Computed tomography, abdomen · axial view · soft-tissue window · 14 organs annotated in this scan (that count is for the whole scan; organs this slice misses have no box)
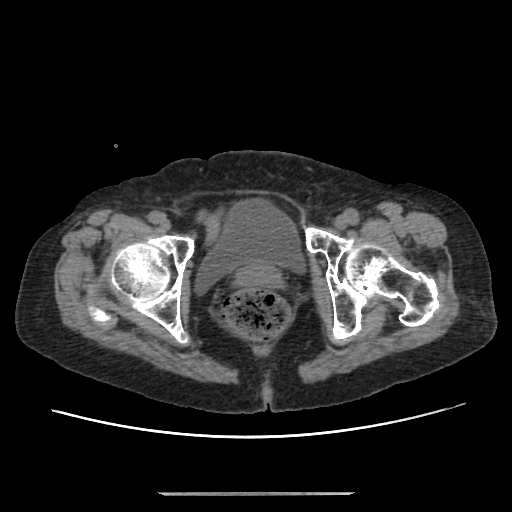
<organs><organ name="bladder" x1="194" y1="199" x2="305" y2="294"/><organ name="prostate/uterus" x1="235" y1="261" x2="283" y2="288"/></organs>